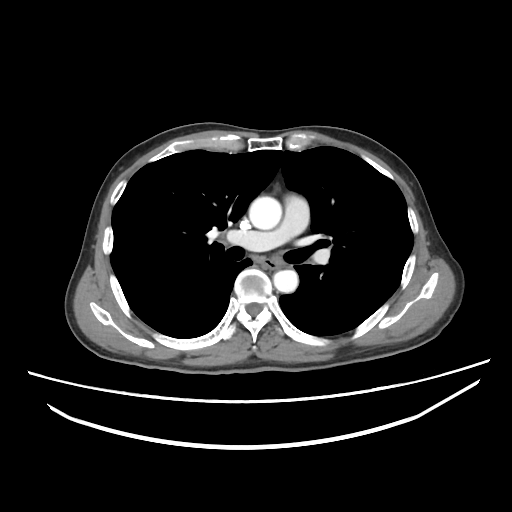 Abdominal CT reaching into the chest; this slice is in the chest · axial plane, index 73 · 512x512 px · 63-year-old male patient
At this level of the chest this dataset labels only the esophagus and the aorta, and each is boxed only where it is labeled; the heart and lungs are never labeled.
Boxes: x1:y1:x2:y2 in pixels.
Organ bounding boxes:
- esophagus: 264:259:279:268
- aorta: 249:196:281:229
- aorta: 273:270:298:292